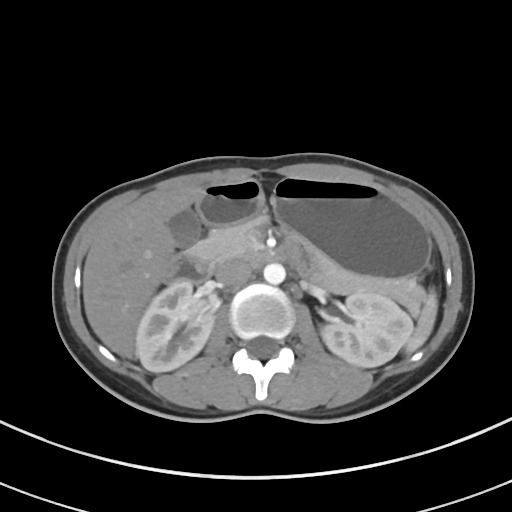
Abdominal CT · axial view · W/L 400/40 HU
{"organs":{"spleen":[405,290,437,352],"gall bladder":[168,208,200,247],"inferior vena cava":[215,259,252,285],"aorta":[263,263,285,284],"liver":[83,186,203,358],"left kidney":[320,293,413,367],"duodenum":[161,241,303,284],"pancreas":[189,218,422,310],"right kidney":[136,279,213,372],"stomach":[196,177,430,279]}}